Computed tomography, abdomen. axial view. 512x512 px
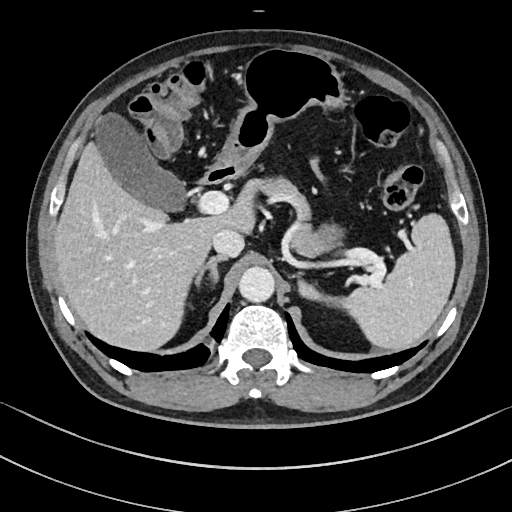 Organ boxes in pixel coordinates; each row gives the top-left (x1, y1) and bottom-right (x2, y2) corners.
| organ | x1 | y1 | x2 | y2 |
|---|---|---|---|---|
| stomach | 222 | 49 | 343 | 240 |
| inferior vena cava | 211 | 228 | 244 | 256 |
| gall bladder | 98 | 116 | 188 | 212 |
| liver | 54 | 144 | 255 | 351 |
| aorta | 239 | 266 | 274 | 301 |
| spleen | 299 | 214 | 456 | 349 |
| duodenum | 199 | 158 | 244 | 184 |
| right adrenal gland | 194 | 254 | 227 | 282 |
| pancreas | 254 | 180 | 337 | 256 |